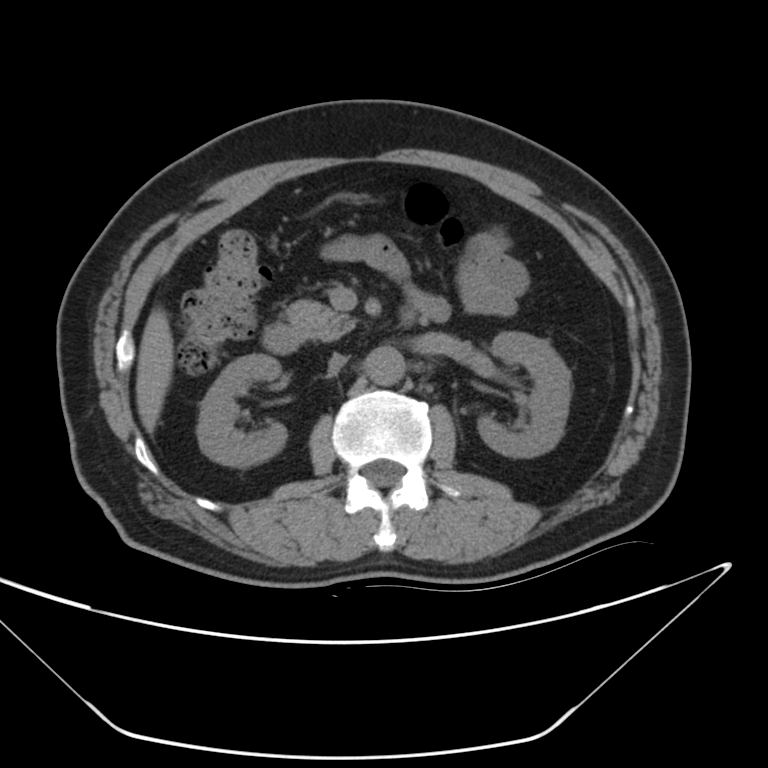 CT, abdomen/pelvis; axial view; soft-tissue window (W 400 / L 40); 768x768 px; Brilliance16 scanner
Box edges are left/top/right/bottom in pixels.
pancreas: left=284, top=300, right=357, bottom=339
liver: left=134, top=311, right=173, bottom=433
left kidney: left=477, top=329, right=569, bottom=458
right kidney: left=198, top=353, right=286, bottom=465
inferior vena cava: left=328, top=353, right=345, bottom=375
aorta: left=366, top=345, right=405, bottom=384
duodenum: left=265, top=324, right=303, bottom=354